CT, abdomen/pelvis. axial plane, index 86. soft-tissue window (W 400 / L 40). Aquilion ONE scanner. scan has 14 labeled organs (a whole-scan count: organs this slice does not pass through have no box)
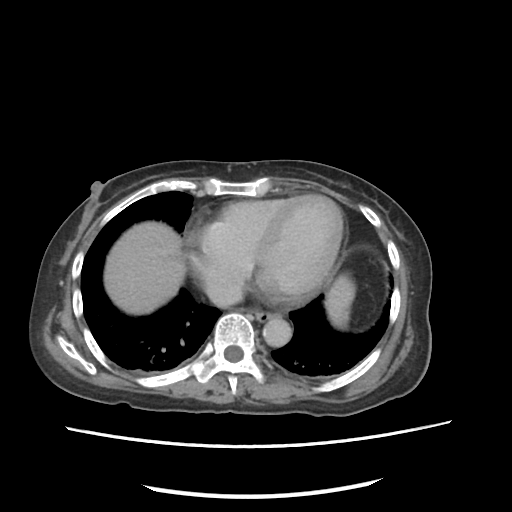

Boxes: x1:y1:x2:y2 in pixels.
Organ bounding boxes:
- esophagus: 254:310:276:321
- liver: 104:221:354:322
- aorta: 262:317:291:347
- inferior vena cava: 206:279:242:307